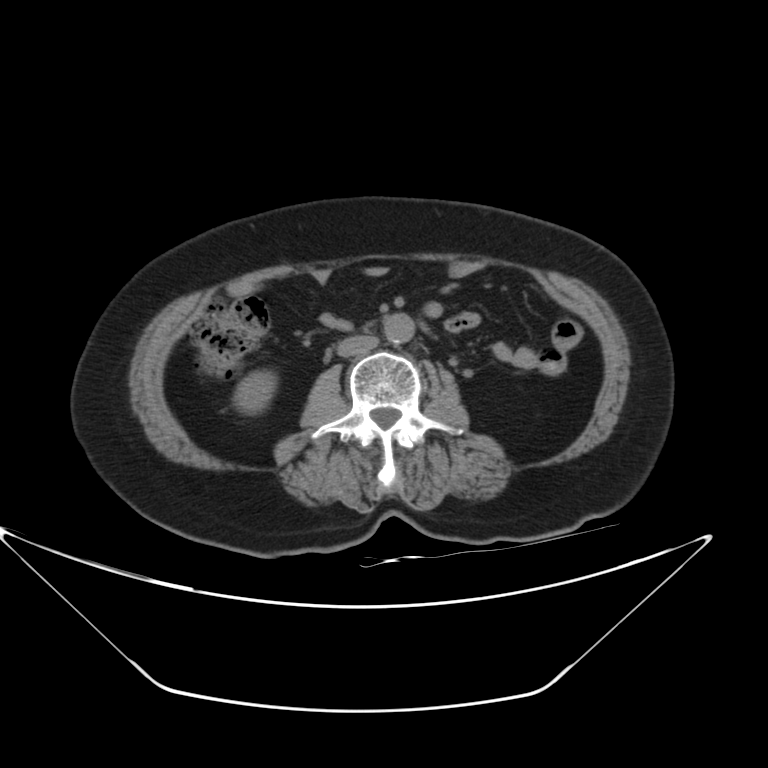 CT, abdomen/pelvis — axial plane, index 51 — soft-tissue window (W 400 / L 40)
Boxes: x1 y1 x2 y2 (pixel coords, space-separated). The annotated organs in this slice are: right kidney at 233 369 277 414, aorta at 384 313 414 344, inferior vena cava at 337 335 378 356.